Computed tomography, abdomen · axial plane, index 49
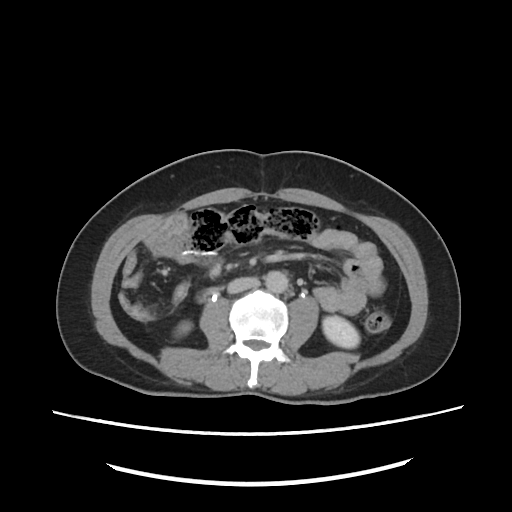

Organ boxes in pixel coordinates; each row gives the top-left (x1, y1) and bottom-right (x2, y2) corners.
| organ | x1 | y1 | x2 | y2 |
|---|---|---|---|---|
| right kidney | 170 | 321 | 192 | 337 |
| left kidney | 322 | 315 | 359 | 346 |
| aorta | 266 | 271 | 288 | 292 |
| inferior vena cava | 228 | 277 | 259 | 293 |
| duodenum | 196 | 286 | 217 | 304 |